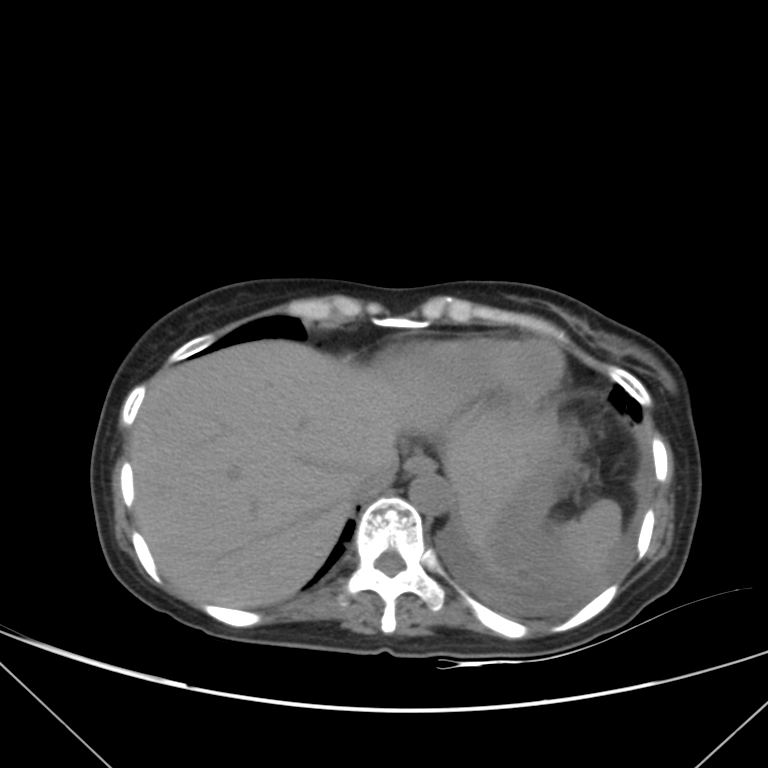
CT, abdomen/pelvis; axial view; Brilliance16 scanner
Coordinates as <box>x1,y1,x2,y2</box> in pixels. The annotated organs in this slice are: spleen at <box>557,499,620,578</box>, esophagus at <box>404,455,434,474</box>, liver at <box>130,340,558,608</box>, stomach at <box>496,445,574,523</box>, aorta at <box>409,474,452,515</box>, inferior vena cava at <box>352,461,397,500</box>.